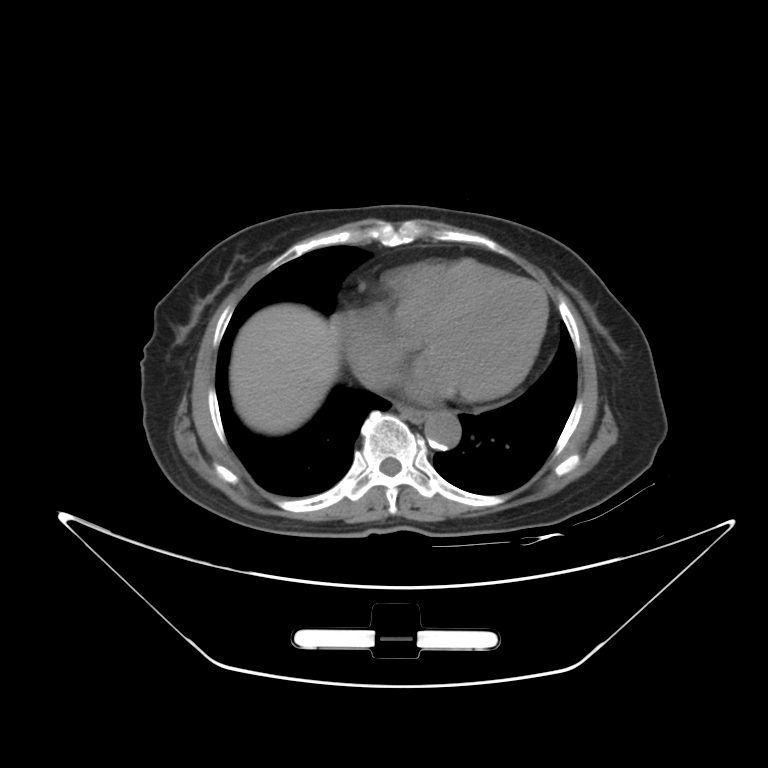 Computed tomography, abdomen. axial view
Boxes are (x1, y1, x2, y2) in pixels.
Organ bounding boxes:
- esophagus: (395, 402, 427, 422)
- liver: (230, 303, 339, 433)
- aorta: (424, 411, 461, 450)
- inferior vena cava: (353, 358, 399, 388)